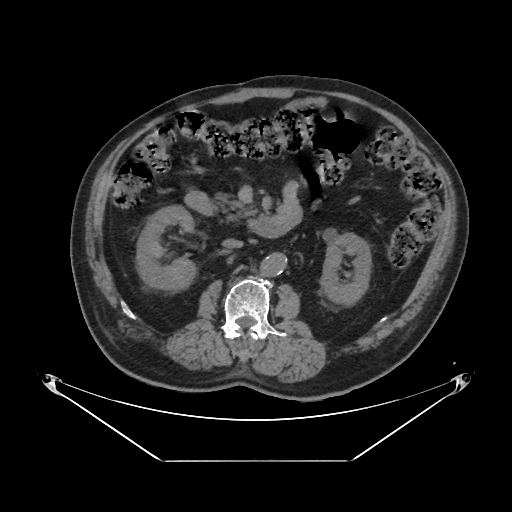 Abdominal CT. Axial slice 210/353. 15 organs annotated in this scan (a whole-scan count: organs this slice does not pass through have no box)
{"organs":{"right kidney":[135,206,197,290],"left kidney":[320,233,372,305],"aorta":[259,253,285,277],"inferior vena cava":[221,239,242,249],"pancreas":[212,193,252,218],"duodenum":[184,192,292,238]}}